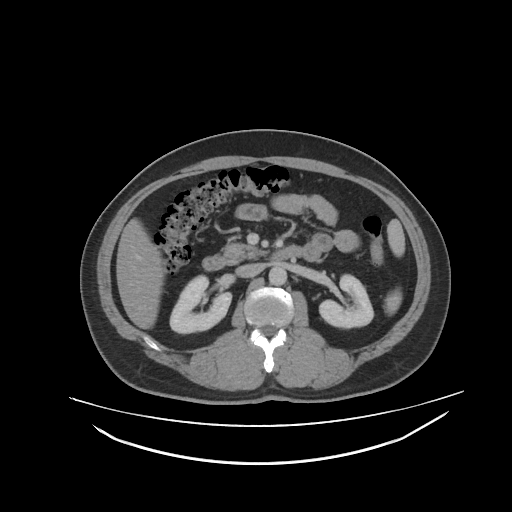

CT, abdomen/pelvis; axial view; 15 organs annotated in this scan (that count is for the whole scan; organs this slice misses have no box)
Each box given as x1,y1,x2,y2. Labeled organs on this slice: pancreas at x1=221, y1=242, x2=265, y2=263, duodenum at x1=202, y1=246, x2=302, y2=271, liver at x1=115, y1=217, x2=165, y2=328, right kidney at x1=169, y1=275, x2=232, y2=333, left kidney at x1=319, y1=274, x2=373, y2=328, inferior vena cava at x1=237, y1=263, x2=262, y2=277, aorta at x1=269, y1=265, x2=287, y2=284, spleen at x1=383, y1=220, x2=405, y2=315.